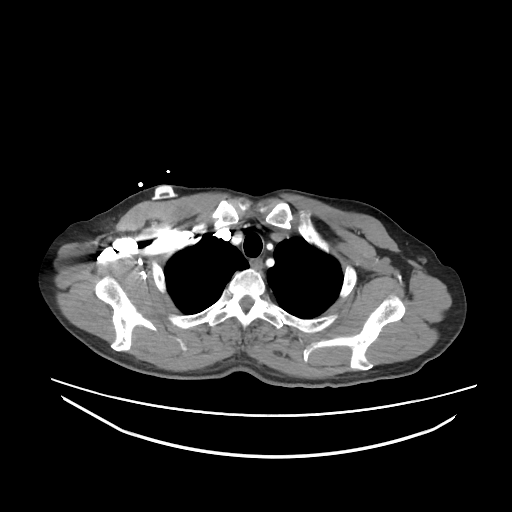

Chest-level CT slice, above the liver and spleen; axial view; soft-tissue window; Aquilion ONE scanner
On a slice this high in the chest, this dataset labels only the esophagus and the aorta, and each is boxed only where it is labeled; the heart, lungs and other chest structures are not labeled.
{"organs":{"esophagus":[250,258,262,268]}}